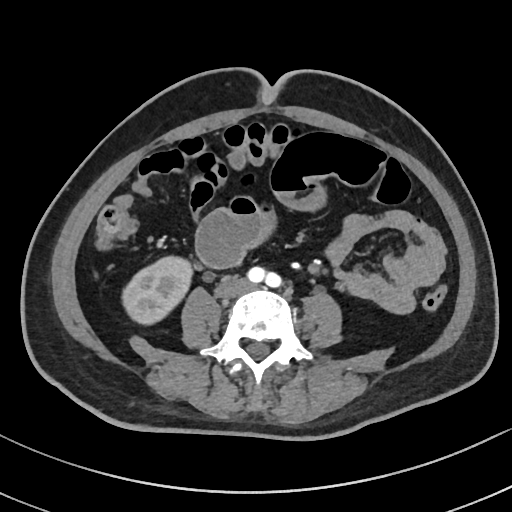
Abdominal CT; axial plane, index 92; soft-tissue window (W 400 / L 40); SOMATOM Force scanner
Organ boxes in pixel coordinates; each row gives the top-left (x1, y1) and bottom-right (x2, y2) corners.
| organ | x1 | y1 | x2 | y2 |
|---|---|---|---|---|
| right kidney | 122 | 257 | 193 | 324 |
| inferior vena cava | 218 | 281 | 245 | 295 |